Abdominal CT; axial view; 512x512 px
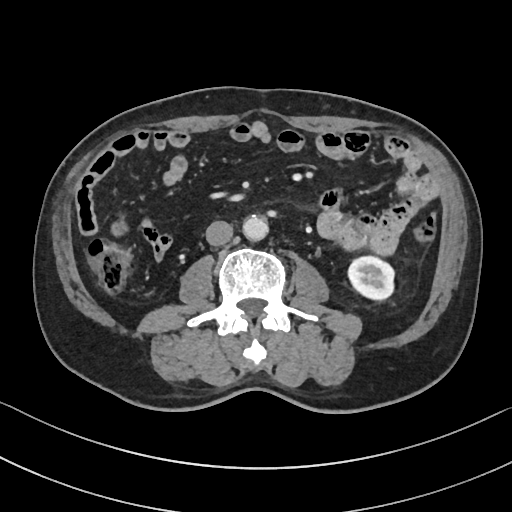
<organs><organ name="left kidney" x1="348" y1="256" x2="393" y2="299"/><organ name="aorta" x1="243" y1="215" x2="268" y2="240"/><organ name="inferior vena cava" x1="205" y1="221" x2="233" y2="245"/></organs>